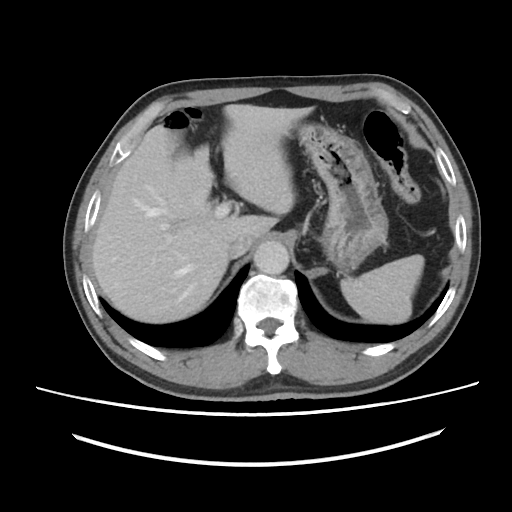

CT abdomen · axial view · soft-tissue window · 512x512 px · 58-year-old male patient
Boxes: x1 y1 x2 y2 (pixel coords, space-separated). 5 labeled organs on this slice — spleen at 340 254 424 323; liver at 92 104 313 323; stomach at 296 123 388 270; aorta at 254 241 289 274; inferior vena cava at 227 233 254 258.